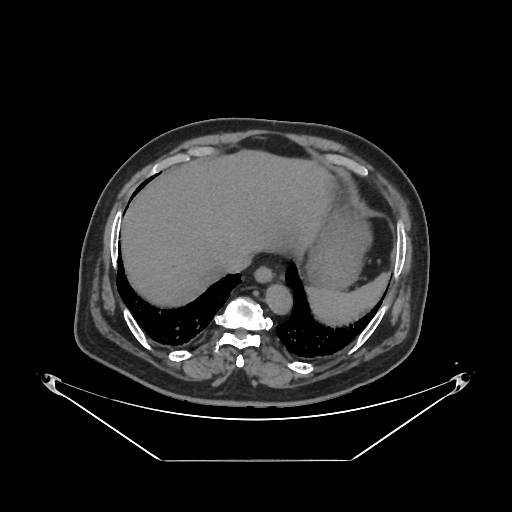
CT, abdomen/pelvis · Axial slice 310/353
Box edges are left/top/right/bottom in pixels.
liver: left=122, top=150, right=335, bottom=305
spleen: left=306, top=274, right=388, bottom=325
stomach: left=307, top=207, right=370, bottom=289
inferior vena cava: left=221, top=252, right=251, bottom=272
esophagus: left=254, top=267, right=273, bottom=283
aorta: left=266, top=285, right=292, bottom=315